Abdominal CT reaching into the chest; this slice is in the chest. Axial slice 102/133. soft-tissue window (W 400 / L 40). 512x512 px
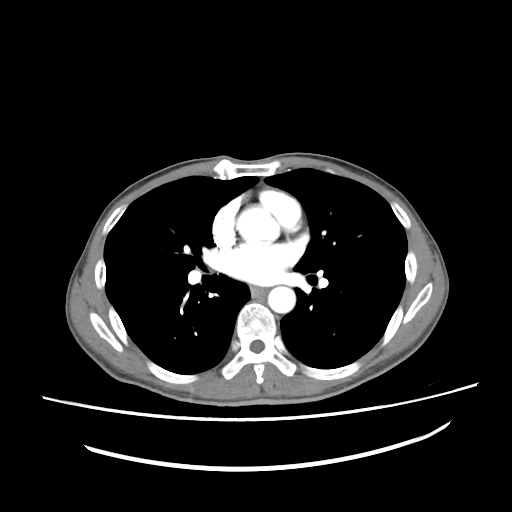 At this level of the chest this dataset labels only the esophagus and the aorta, and each is boxed only where it is labeled; the heart and lungs are never labeled.
{"organs":{"esophagus":[250,286,265,295],"aorta":[[236,204,278,244],[268,286,295,313]]}}